Chest-level slice from an abdominal CT that extends up into the chest. axial view. soft-tissue window, W/L 400/40. 34-year-old female patient. scan has 15 labeled organs (that count is for the whole scan; organs this slice misses have no box)
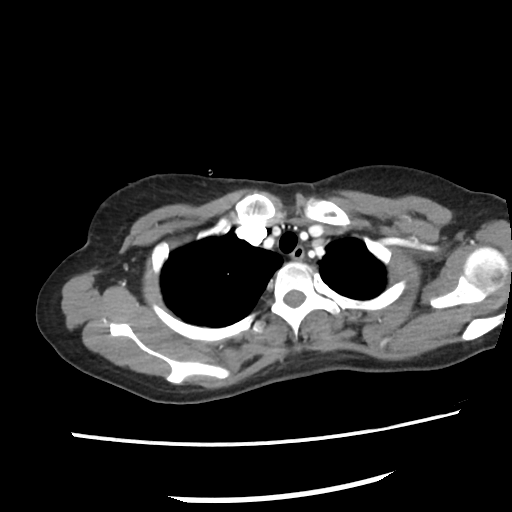

At this level of the chest this dataset labels only the esophagus and the aorta, and each is boxed only where it is labeled; the heart and lungs are never labeled.
Coordinates as <box>x1,y1,x2,y2</box> in pixels.
Organ bounding boxes:
- esophagus: <box>291,247,303,261</box>